CT abdomen — axial view — W/L 400/40 HU — 512x512 px
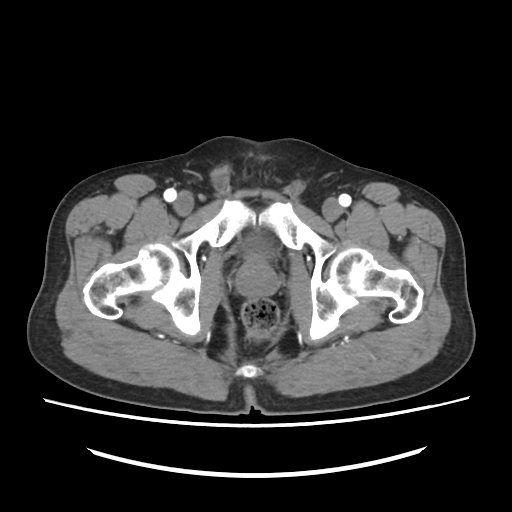 One row per box, in pixels: columns x1 and y1 give the top-left corner, x2 and y2 the bottom-right.
| organ | x1 | y1 | x2 | y2 |
|---|---|---|---|---|
| prostate/uterus | 235 | 257 | 278 | 297 |
| bladder | 241 | 236 | 273 | 257 |